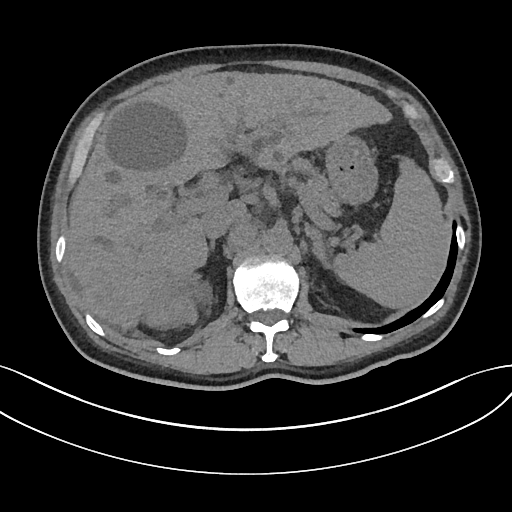 CT, abdomen/pelvis; axial view; soft-tissue window (W 400 / L 40)
{"organs":{"spleen":[333,157,450,308],"liver":[65,71,391,328],"stomach":[325,135,377,204],"aorta":[262,228,291,255],"inferior vena cava":[200,203,242,239],"pancreas":[289,158,341,215],"right adrenal gland":[209,241,215,250],"left adrenal gland":[305,223,329,268]}}